Abdominal CT — axial plane, index 191 — acquired on SOMATOM Force — 15 organs annotated in this scan (that count is for the whole scan; organs this slice misses have no box)
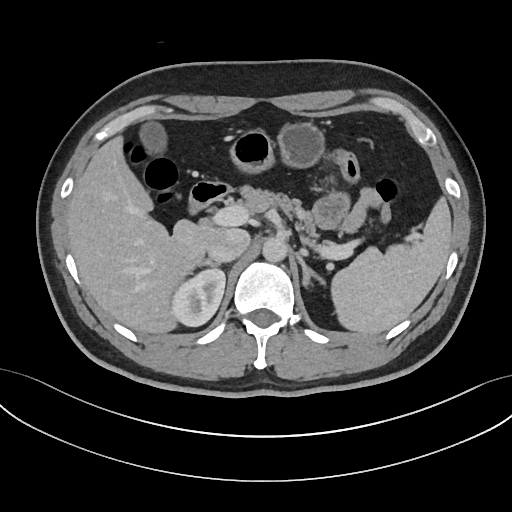
Box edges are left/top/right/bottom in pixels.
liver: left=66, top=136, right=220, bottom=333
stomach: left=230, top=123, right=324, bottom=173
aorta: left=262, top=237, right=287, bottom=261
pancreas: left=239, top=185, right=334, bottom=250
spleen: left=331, top=197, right=451, bottom=333
gall bladder: left=139, top=122, right=167, bottom=154
duodenum: left=189, top=182, right=231, bottom=213
right kidney: left=171, top=269, right=225, bottom=326
right adrenal gland: left=195, top=259, right=219, bottom=268
left adrenal gland: left=296, top=252, right=325, bottom=287
inferior vena cava: left=208, top=228, right=250, bottom=262